CT, abdomen/pelvis; axial plane, index 56; 39-year-old male patient
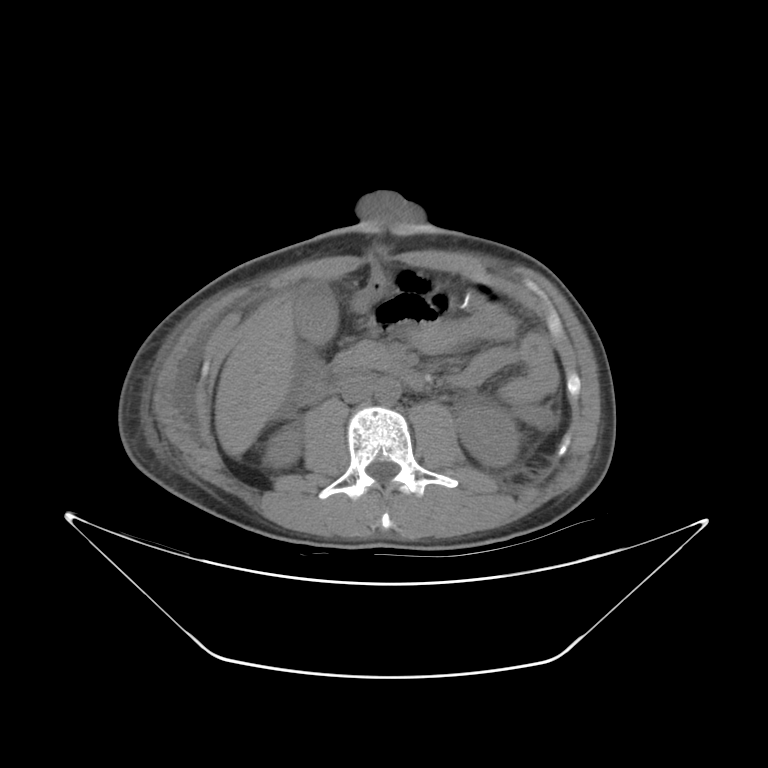 Coordinates as <box>x1,y1,x2,y2</box> in pixels. Labeled organs on this slice: left kidney at <box>456,404,519,466</box>, gall bladder at <box>293,283,337,343</box>, aorta at <box>374,377,400,404</box>, pancreas at <box>333,341,400,370</box>, liver at <box>215,300,295,452</box>, inferior vena cava at <box>340,374,373,403</box>, right kidney at <box>266,426,302,467</box>, duodenum at <box>318,365,424,393</box>.